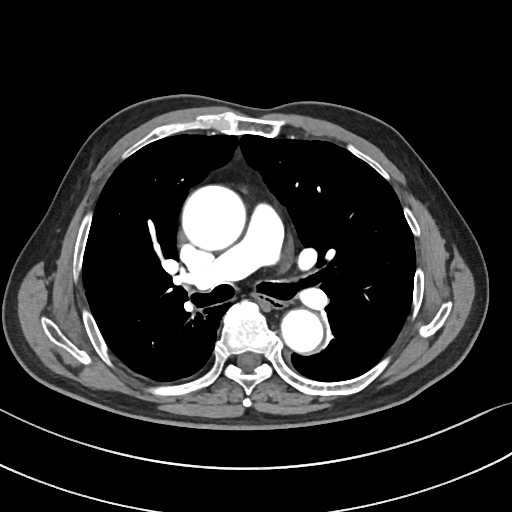 Abdominal CT reaching into the chest; this slice is in the chest · axial view · SOMATOM Force scanner · scan has 15 labeled organs (counted over the whole 3D scan, not this slice; an organ is boxed only where this slice passes through it)
At this level of the chest no structure but the esophagus and the aorta has a label in this dataset, and those two are boxed only where they are labeled.
Coordinates as <box>x1,y1,x2,y2</box> in pixels.
esophagus: <box>258,295,285,308</box>
aorta: <box>182,185,245,250</box>
aorta: <box>281,309,322,352</box>